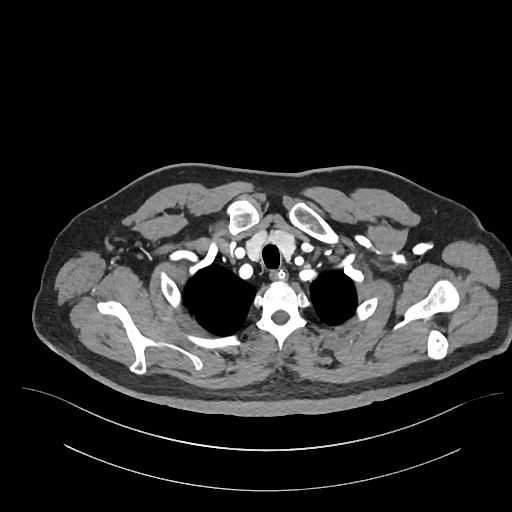

Chest-level CT slice, above the liver and spleen. axial view. W/L 400/40 HU. 512x512 px
At this level of the chest no structure but the esophagus and the aorta has a label in this dataset, and those two are boxed only where they are labeled.
Coordinates as <box>x1,y1,x2,y2</box> in pixels.
Organ bounding boxes:
- esophagus: <box>270,269,285,278</box>